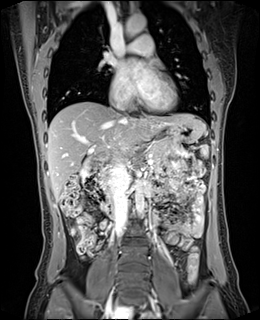
Abdominal MRI — Coronal slice 75/144 — 260x320 px
Each box given as x1,y1,x2,y2.
Organ bounding boxes:
- spleen: x1=201, y1=145, x2=208, y2=156
- gall bladder: x1=80, y1=159, x2=92, y2=174
- liver: x1=47, y1=101, x2=204, y2=198
- stomach: x1=149, y1=119, x2=203, y2=143
- aorta: x1=125, y1=15, x2=145, y2=38
- aorta: x1=134, y1=181, x2=144, y2=216
- inferior vena cava: x1=109, y1=163, x2=129, y2=236
- inferior vena cava: x1=116, y1=100, x2=124, y2=110
- pancreas: x1=148, y1=141, x2=166, y2=162
- duodenum: x1=94, y1=166, x2=110, y2=196